Abdominal CT; Axial slice 22/167; W/L 400/40 HU; 512x512 px; scan has 15 labeled organs (that count is for the whole scan; organs this slice misses have no box)
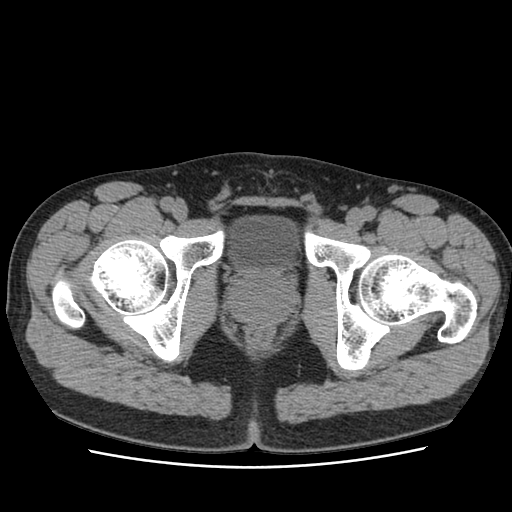 Boxes: x1 y1 x2 y2 (pixel coords, space-separated).
Organ bounding boxes:
- bladder: 228 215 298 269
- prostate/uterus: 229 268 295 324